CT abdomen. axial view. 512x512 px. acquired on Aquilion ONE
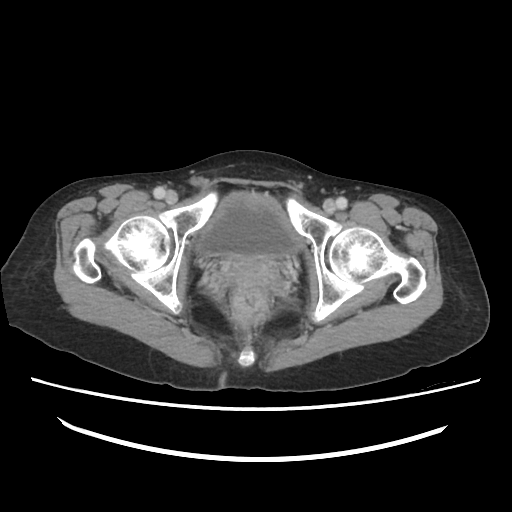

Each box given as x1,y1,x2,y2.
bladder: x1=195, y1=192, x2=304, y2=258